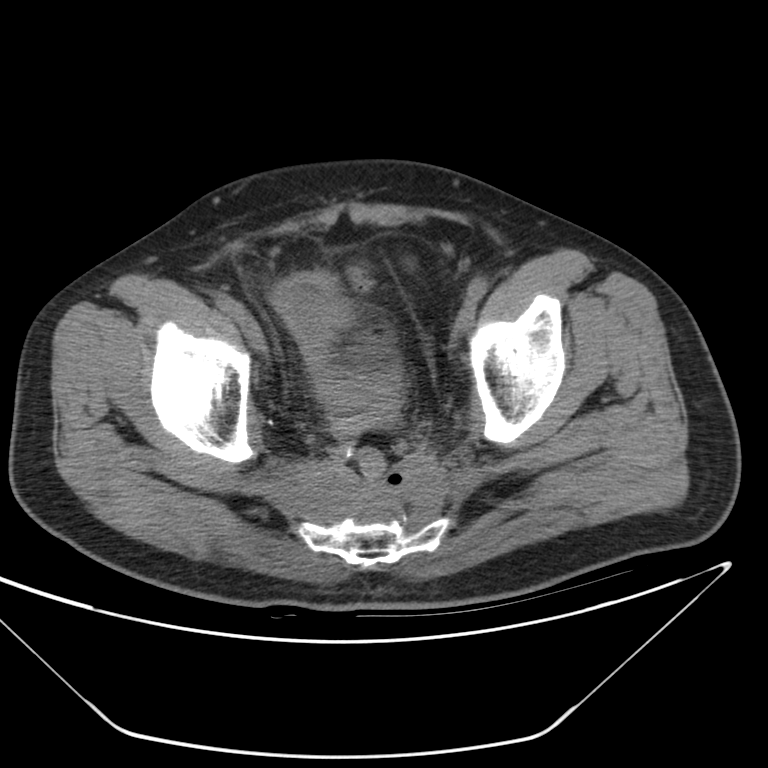
CT abdomen; axial view; soft-tissue window (W 400 / L 40)
{"organs":{"bladder":[276,277,404,404]}}